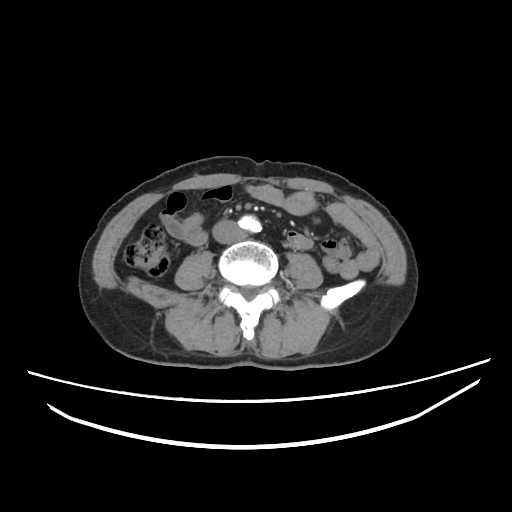
CT, abdomen/pelvis — Axial slice 19/109 — soft-tissue window — 63-year-old male patient
Each box given as x1,y1,x2,y2.
Organ bounding boxes:
- aorta: x1=238, y1=215, x2=261, y2=232
- inferior vena cava: x1=212, y1=220, x2=243, y2=243